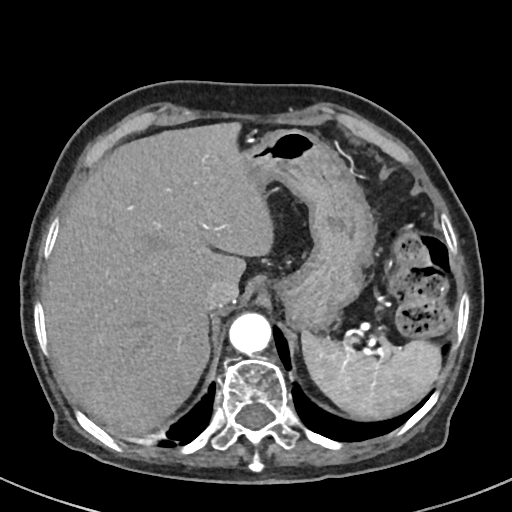 CT, abdomen/pelvis — axial view — soft-tissue window (W 400 / L 40)
Coordinates as <box>x1,y1,x2,y2</box> in pixels.
Organ bounding boxes:
- spleen: <box>301,331,440,419</box>
- liver: <box>43,122,273,434</box>
- stomach: <box>243,129,375,331</box>
- aorta: <box>229,313,271,355</box>
- inferior vena cava: <box>203,278,238,310</box>